Abdominal CT. axial view. 512x512 px
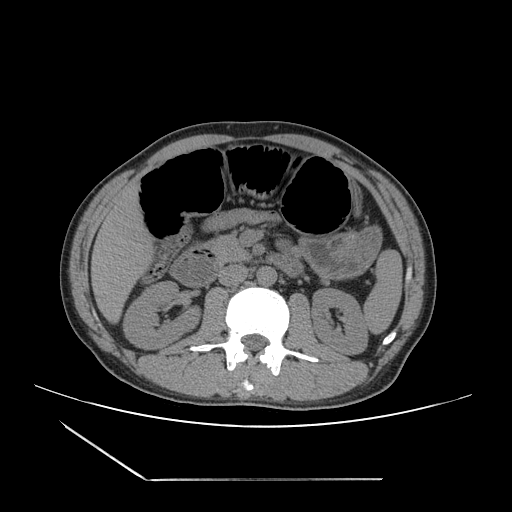 <organs><organ name="spleen" x1="363" y1="249" x2="402" y2="334"/><organ name="right kidney" x1="123" y1="281" x2="200" y2="349"/><organ name="left kidney" x1="311" y1="288" x2="367" y2="354"/><organ name="liver" x1="91" y1="183" x2="154" y2="323"/><organ name="stomach" x1="301" y1="229" x2="381" y2="278"/><organ name="aorta" x1="256" y1="266" x2="276" y2="286"/><organ name="inferior vena cava" x1="218" y1="265" x2="247" y2="286"/><organ name="pancreas" x1="207" y1="235" x2="250" y2="263"/><organ name="duodenum" x1="170" y1="247" x2="221" y2="286"/></organs>